CT of the abdomen extending into the chest, slice through the chest · axial plane, index 71 · 34-year-old female patient · scan has 13 labeled organs (that count is for the whole scan; organs this slice misses have no box)
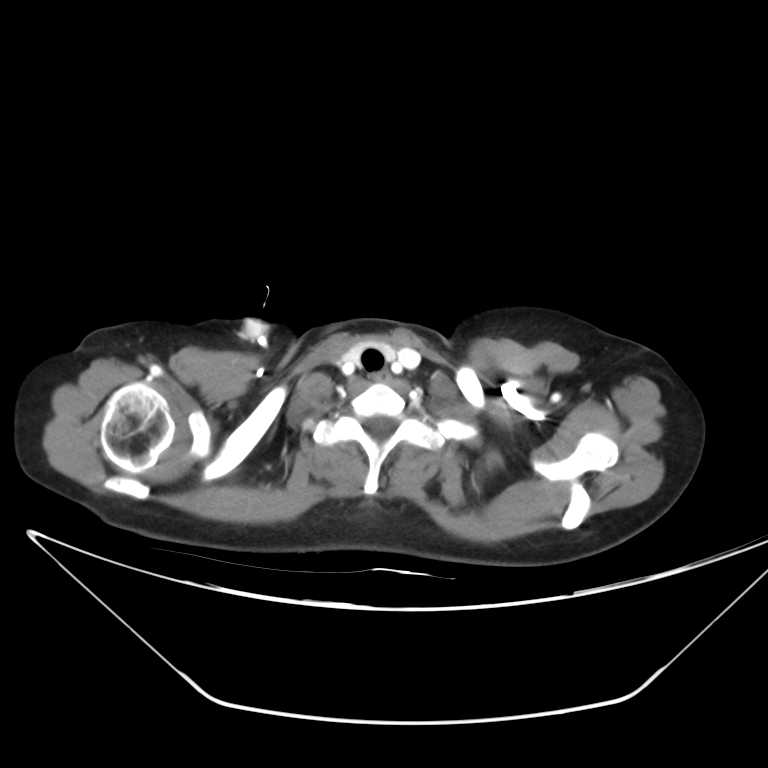

At this level of the chest no structure but the esophagus and the aorta has a label in this dataset, and those two are boxed only where they are labeled.
<organs><organ name="esophagus" x1="375" y1="371" x2="391" y2="384"/></organs>